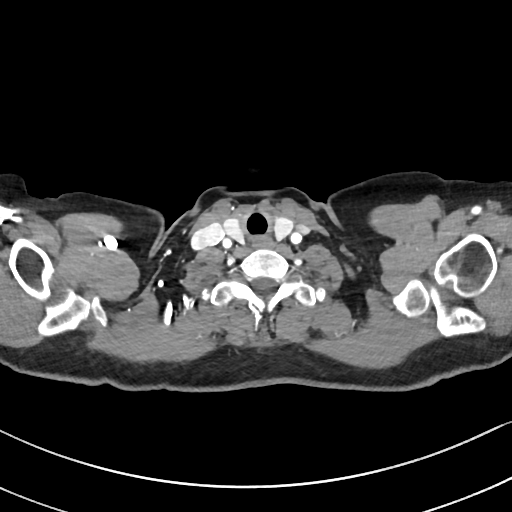

CT of the abdomen extending into the chest, slice through the chest; axial view; 512x512 px
At this level of the chest this dataset labels only the esophagus and the aorta, and each is boxed only where it is labeled; the heart and lungs are never labeled. Boxes are (x1, y1, x2, y2) in pixels. Labeled organs on this slice: esophagus at (251, 237, 270, 247).